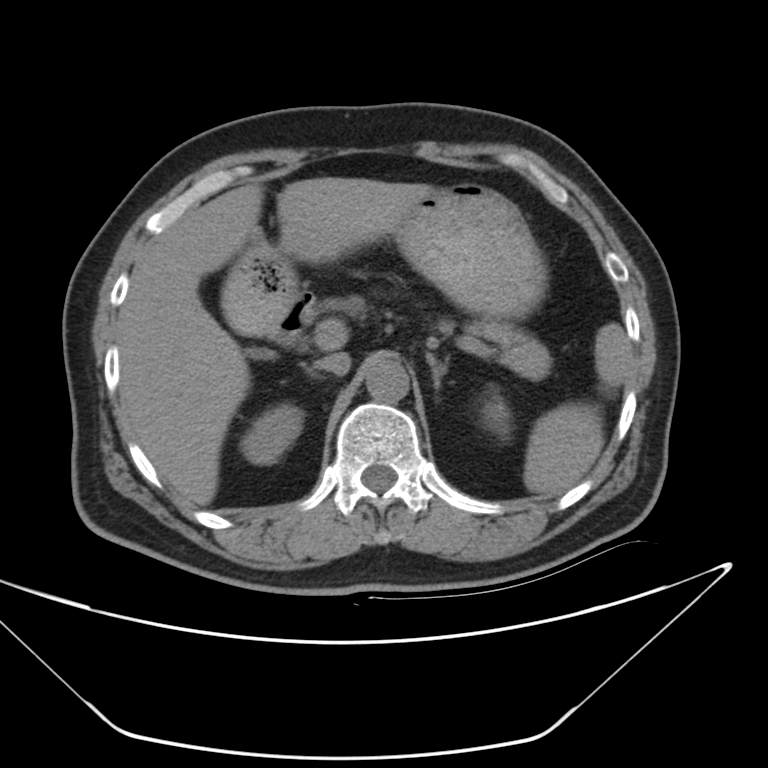
Abdominal CT; axial plane, index 76; scan has 14 labeled organs (counted over the whole 3D scan, not this slice; an organ is boxed only where this slice passes through it)
Boxes are (x1, y1, x2, y2) in pixels. Labeled organs on this slice: spleen at (523, 322, 626, 493), right kidney at (243, 406, 304, 464), left kidney at (483, 397, 508, 429), liver at (117, 179, 431, 504), stomach at (221, 181, 547, 336), aorta at (363, 360, 408, 401), inferior vena cava at (320, 352, 350, 373), pancreas at (470, 324, 548, 381), right adrenal gland at (298, 362, 325, 379), left adrenal gland at (426, 354, 447, 390), duodenum at (271, 291, 317, 347).